Computed tomography, abdomen. axial view. 512x512 px. SOMATOM Force scanner
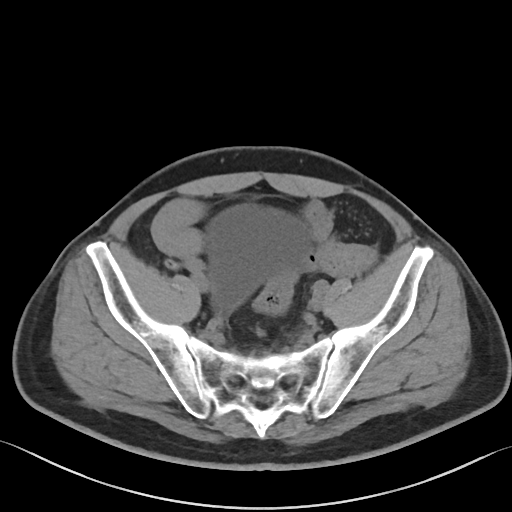

Organ boxes in pixel coordinates; each row gives the top-left (x1, y1) and bottom-right (x2, y2) corners.
| organ | x1 | y1 | x2 | y2 |
|---|---|---|---|---|
| bladder | 208 | 205 | 313 | 310 |